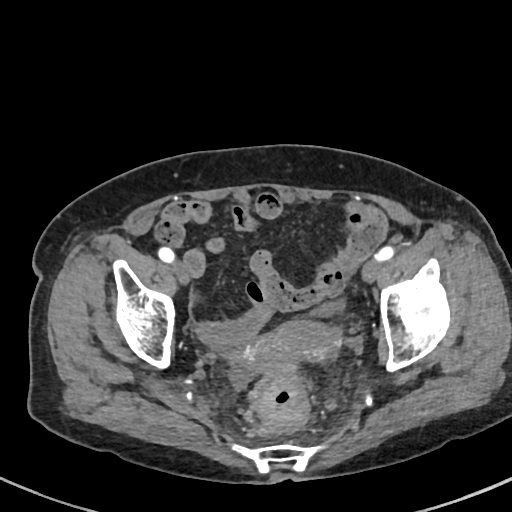 CT, abdomen/pelvis. axial plane, index 44. soft-tissue window. 15 organs annotated in this scan (that count is for the whole scan; organs this slice misses have no box)
Bounding boxes in pixels, one row per box: x1, y1 is the top-left corner and x2, y2 the bottom-right.
| organ | x1 | y1 | x2 | y2 |
|---|---|---|---|---|
| bladder | 319 | 301 | 346 | 316 |
| prostate/uterus | 267 | 321 | 339 | 363 |